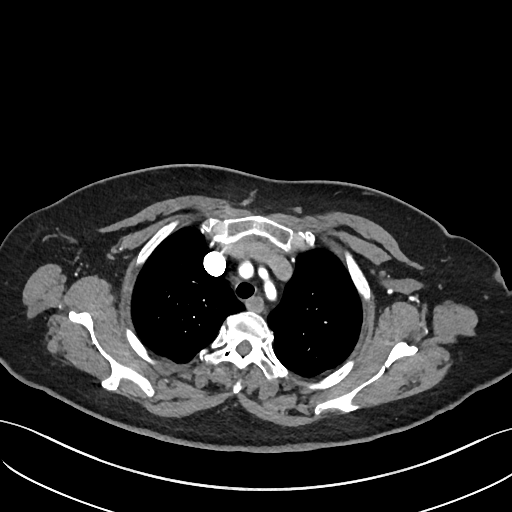 Chest-level slice from an abdominal CT that extends up into the chest. axial view. 512x512 px. 15 organs annotated in this scan (counted over the whole 3D scan, not this slice; an organ is boxed only where this slice passes through it)
At this level of the chest no structure but the esophagus and the aorta has a label in this dataset, and those two are boxed only where they are labeled.
<organs><organ name="esophagus" x1="246" y1="296" x2="264" y2="313"/></organs>